CT of the abdomen reaching into the lower chest, slice just above the liver and spleen. axial plane, index 89. soft-tissue window. 15 organs annotated in this scan (that count is for the whole scan; organs this slice misses have no box)
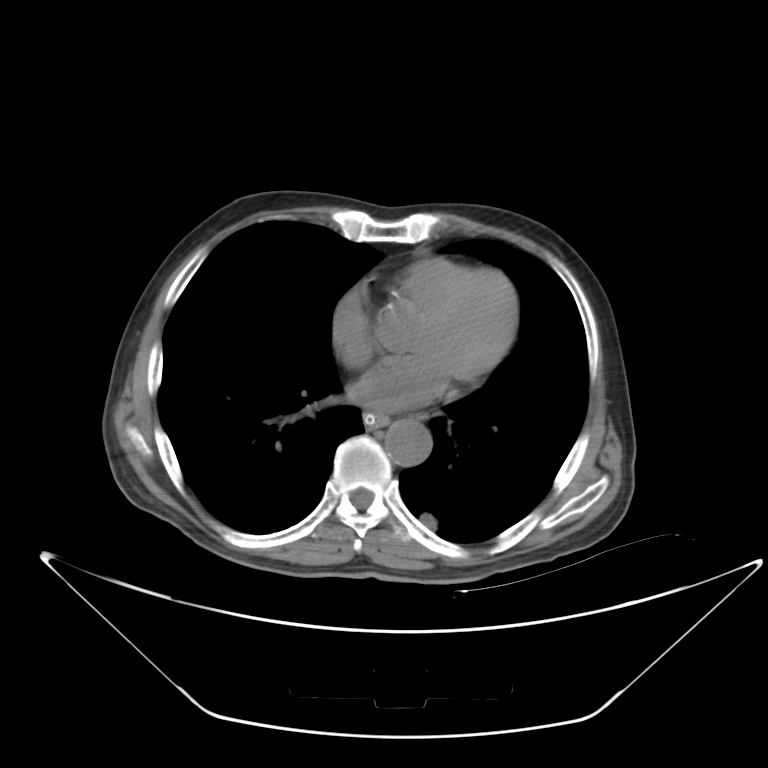

No part of the heart or lungs is labeled in this dataset, so neither has a box here.
{"organs":{"aorta":[385,420,432,466],"esophagus":[363,413,389,429]}}